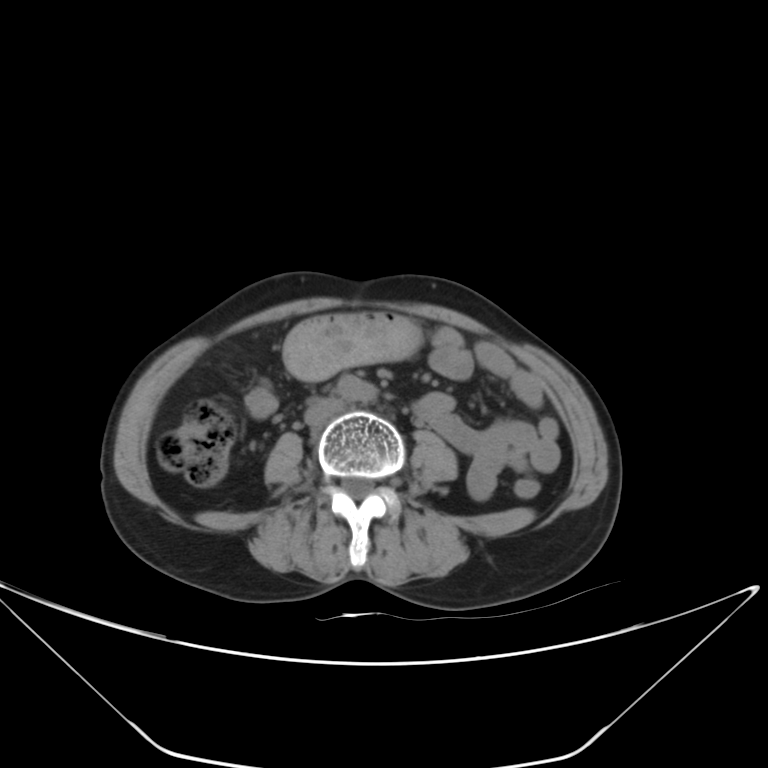 CT abdomen; axial view; 15 organs annotated in this scan (counted over the whole 3D scan, not this slice; an organ is boxed only where this slice passes through it)
Bounding boxes in pixels, one row per box: x1, y1 is the top-left corner and x2, y2 the bottom-right.
| organ | x1 | y1 | x2 | y2 |
|---|---|---|---|---|
| stomach | 285 | 312 | 419 | 378 |
| inferior vena cava | 305 | 398 | 344 | 427 |
| aorta | 338 | 375 | 375 | 401 |